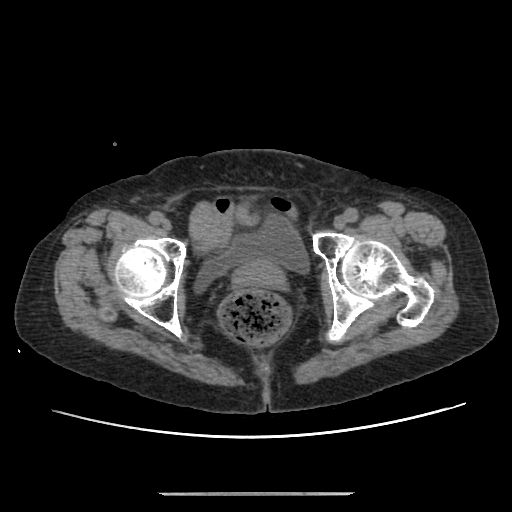 Computed tomography, abdomen. Axial slice 55/353. 512x512 px. SOMATOM Force scanner
Bounding boxes in pixels, one row per box: x1, y1 is the top-left corner and x2, y2 the bottom-right.
| organ | x1 | y1 | x2 | y2 |
|---|---|---|---|---|
| bladder | 195 | 215 | 309 | 291 |
| prostate/uterus | 232 | 258 | 285 | 289 |